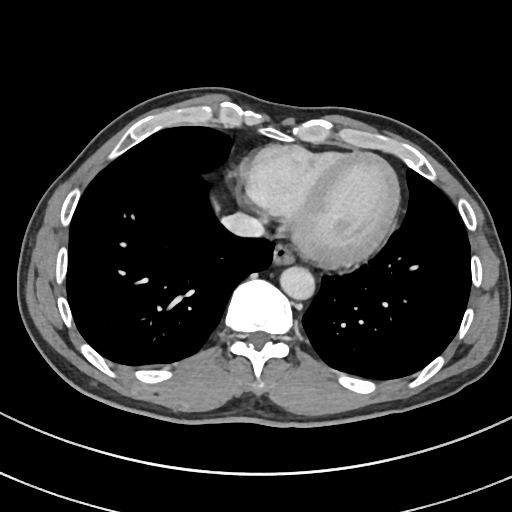
CT of the abdomen reaching into the lower chest, slice just above the liver and spleen; axial plane, index 178; 512x512 px
The heart and lungs are never labeled in this dataset, so they have no box on this slice.
Organ boxes in pixel coordinates; each row gives the top-left (x1, y1) and bottom-right (x2, y2) corners.
| organ | x1 | y1 | x2 | y2 |
|---|---|---|---|---|
| inferior vena cava | 222 | 213 | 263 | 238 |
| esophagus | 271 | 245 | 293 | 266 |
| aorta | 280 | 267 | 315 | 300 |